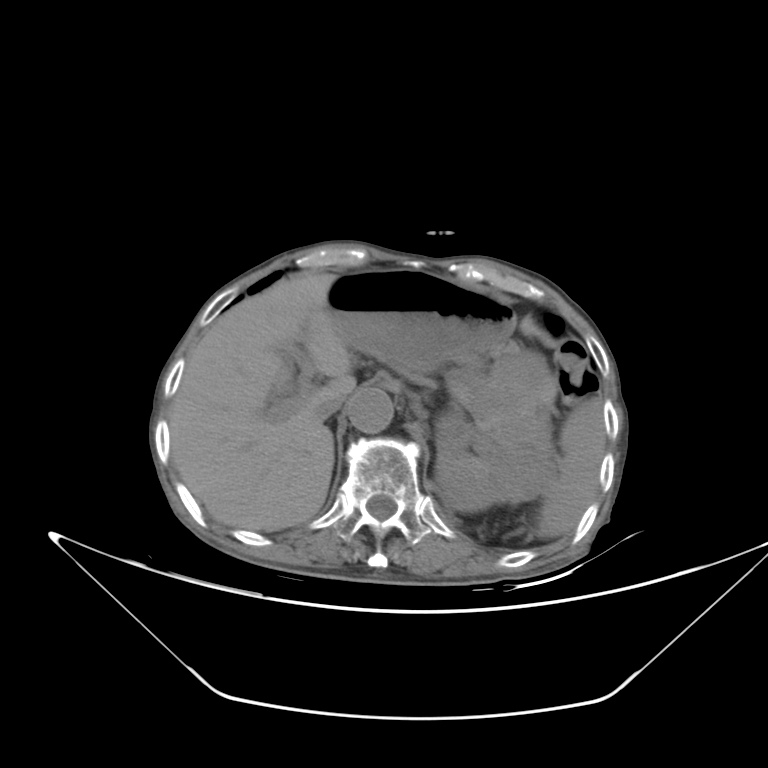

Abdominal CT; Axial slice 69/80; W/L 400/40 HU; 768x768 px
<organs><organ name="spleen" x1="537" y1="396" x2="604" y2="541"/><organ name="left kidney" x1="434" y1="347" x2="557" y2="512"/><organ name="liver" x1="168" y1="274" x2="354" y2="530"/><organ name="stomach" x1="325" y1="268" x2="518" y2="370"/><organ name="aorta" x1="348" y1="388" x2="395" y2="433"/><organ name="inferior vena cava" x1="314" y1="395" x2="343" y2="423"/><organ name="pancreas" x1="480" y1="343" x2="521" y2="361"/></organs>